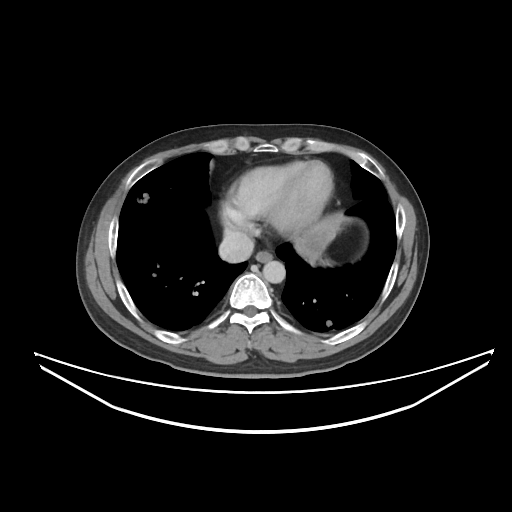

CT abdomen. Axial slice 90/131. W/L 400/40 HU. 512x512 px. 40-year-old male patient
Boxes are (x1, y1, x2, y2) in pixels. 4 labeled organs on this slice — esophagus at (255, 250, 272, 262); liver at (294, 221, 336, 263); aorta at (263, 260, 285, 283); inferior vena cava at (218, 232, 254, 262).